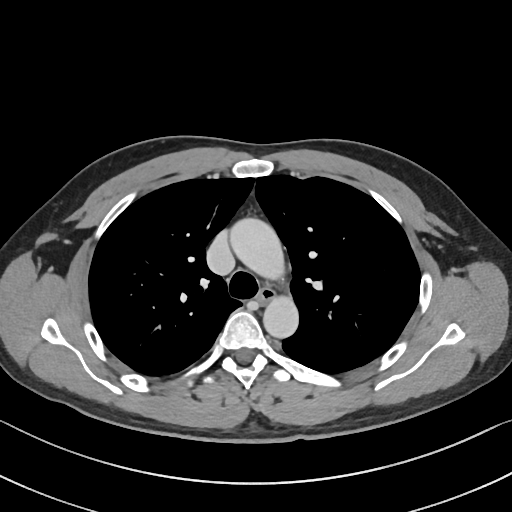

Abdominal CT reaching into the chest; this slice is in the chest; Axial slice 245/291; 512x512 px
At this level of the chest no structure but the esophagus and the aorta has a label in this dataset, and those two are boxed only where they are labeled. Boxes: x1 y1 x2 y2 (pixel coords, space-separated). Labeled organs on this slice: esophagus at 257 287 275 304, aorta at 230 218 285 280, aorta at 263 295 298 338.